Computed tomography, abdomen. axial plane, index 50. W/L 400/40 HU
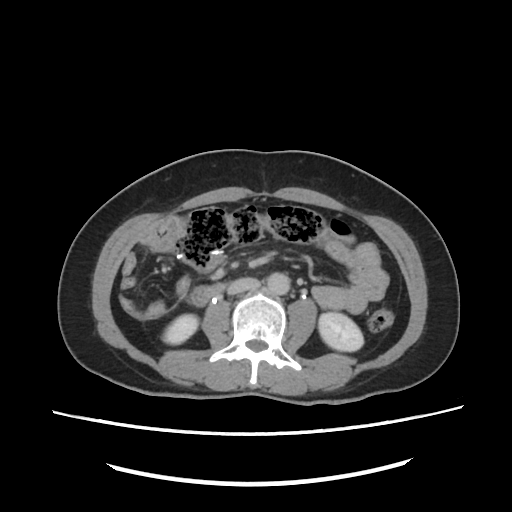

{"organs":{"right kidney":[161,315,198,345],"left kidney":[318,313,363,350],"aorta":[267,271,290,293],"inferior vena cava":[226,277,259,295],"duodenum":[189,282,225,304]}}